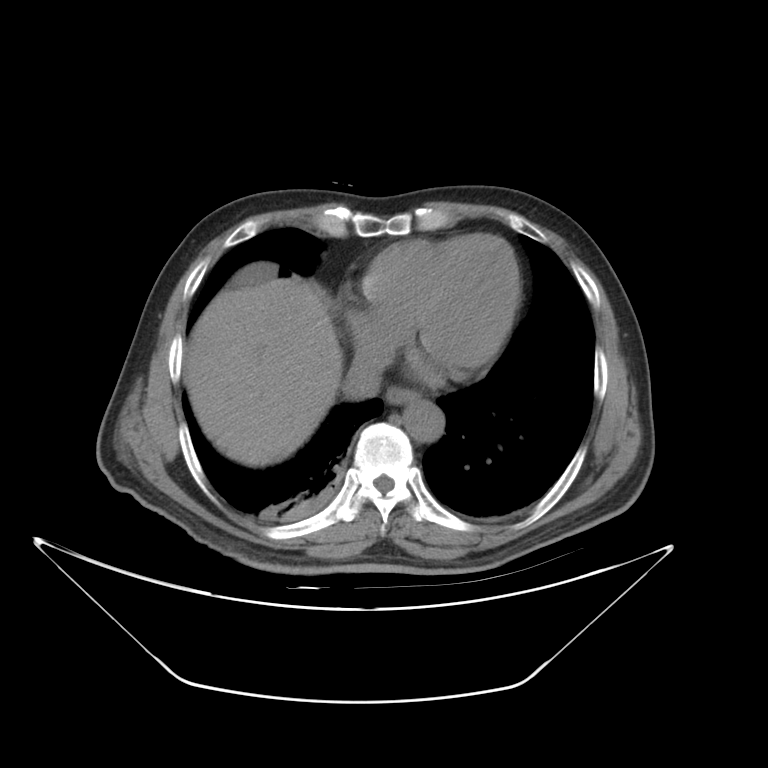
CT, abdomen/pelvis. axial view. 768x768 px
Boxes: x1:y1:x2:y2 in pixels.
Organ bounding boxes:
- gall bladder: 229:263:277:288
- esophagus: 384:386:416:404
- liver: 184:278:342:466
- aorta: 402:400:446:437
- inferior vena cava: 338:342:390:399